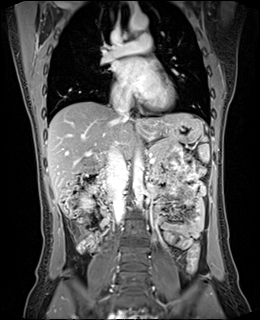 Magnetic resonance imaging, abdomen · coronal plane, index 71 · 1st–99th percentile window · 260x320 px · 13 organs annotated in this scan (a whole-scan count: organs this slice does not pass through have no box)
{"organs":{"inferior vena cava":[[106,141,128,222],[112,95,130,117]],"stomach":[145,117,202,143],"pancreas":[150,140,171,161],"spleen":[198,135,209,162],"liver":[46,101,202,198],"duodenum":[92,169,105,189],"aorta":[[133,152,144,208],[128,15,148,32]],"esophagus":[137,123,148,136],"right kidney":[81,194,93,211]}}